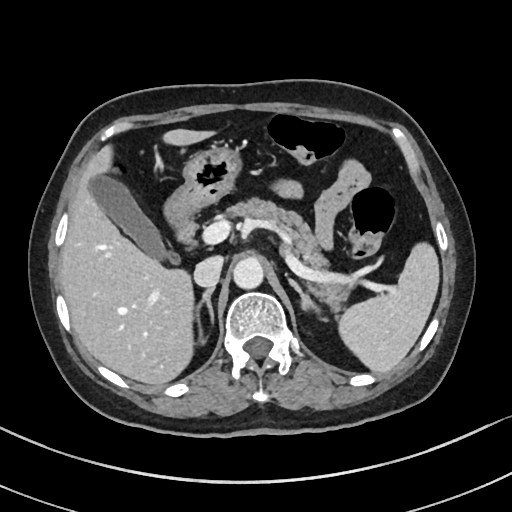 Abdominal CT; axial view; abdomen soft-tissue window; 512x512 px
Each box given as x1,y1,x2,y2. 10 labeled organs on this slice — left adrenal gland at x1=289, y1=279, x2=319, y2=311; stomach at x1=164, y1=146, x2=241, y2=227; inferior vena cava at x1=193, y1=256, x2=222, y2=288; pancreas at x1=228, y1=199, x2=347, y2=310; liver at x1=59, y1=128, x2=214, y2=385; gall bladder at x1=91, y1=176, x2=179, y2=263; right adrenal gland at x1=194, y1=288, x2=214, y2=340; spleen at x1=339, y1=245, x2=439, y2=373; duodenum at x1=178, y1=219, x2=195, y2=241; aorta at x1=232, y1=259, x2=263, y2=289.